CT, abdomen/pelvis; axial plane, index 50; 512x512 px; 14 organs annotated in this scan (that count is for the whole scan; organs this slice misses have no box)
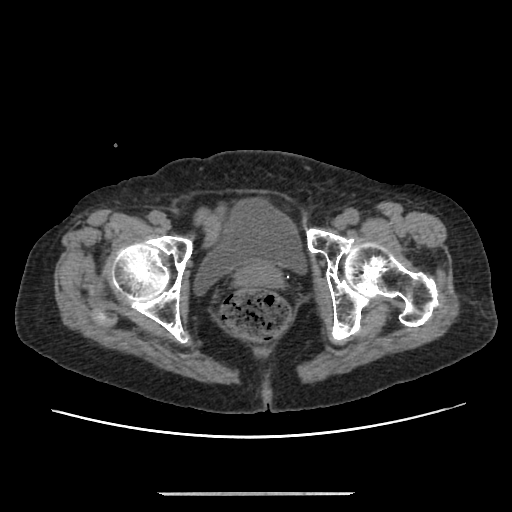 Each box given as x1,y1,x2,y2.
bladder: x1=194, y1=199, x2=305, y2=294
prostate/uterus: x1=235, y1=261, x2=283, y2=288